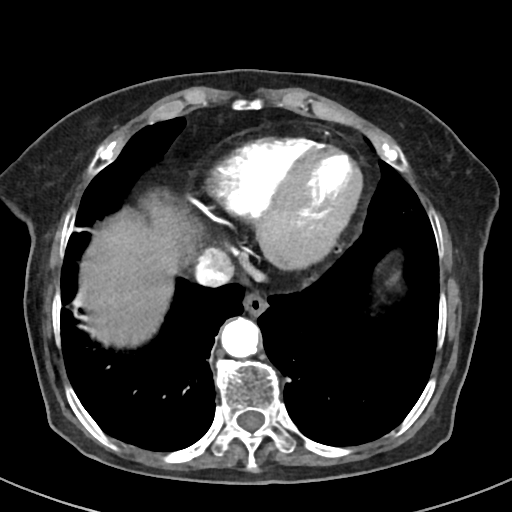

Abdominal CT. axial view. W/L 400/40 HU. 512x512 px
Each box given as x1,y1,x2,y2.
esophagus: x1=243, y1=293, x2=268, y2=315
aorta: x1=220, y1=317, x2=259, y2=358
liver: x1=79, y1=198, x2=195, y2=345
inferior vena cava: x1=196, y1=249, x2=235, y2=284